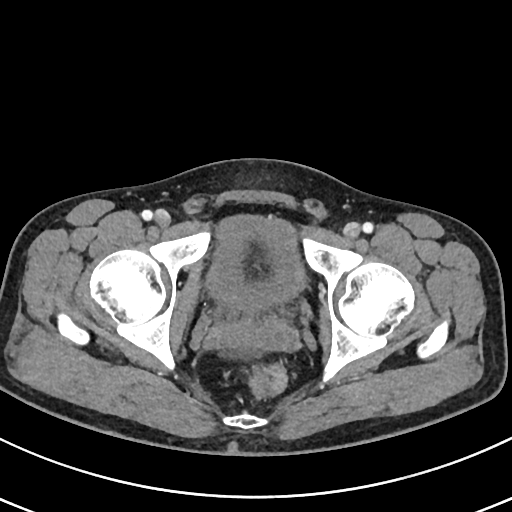

CT, abdomen/pelvis; axial plane, index 23; abdomen soft-tissue window; acquired on SOMATOM Force
Boxes: x1:y1:x2:y2 in pixels. 1 labeled organ on this slice — bladder at 207:215:304:311.